Abdominal MRI — axial view — Prisma scanner — scan has 13 labeled organs (that count is for the whole scan; organs this slice misses have no box)
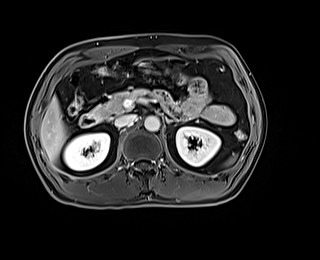

Boxes: x1:y1:x2:y2 in pixels.
Organ bounding boxes:
- right kidney: 63:133:109:170
- pancreas: 92:88:166:119
- left kidney: 176:126:220:166
- aorta: 144:116:160:131
- left adrenal gland: 164:117:172:124
- spleen: 227:157:235:164
- liver: 40:96:67:162
- inferior vena cava: 114:114:136:127
- duodenum: 79:112:100:127